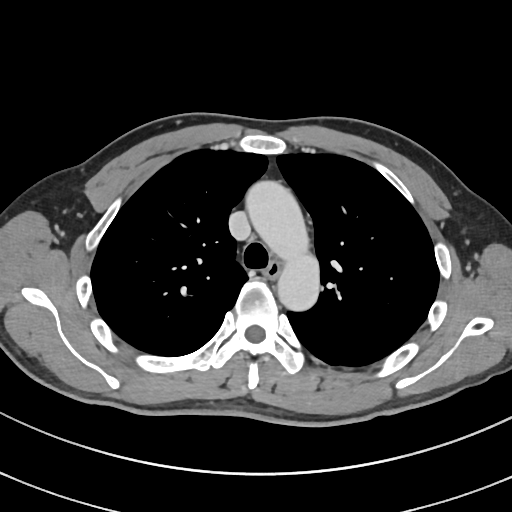 Abdominal CT reaching into the chest; this slice is in the chest. axial view. W/L 400/40 HU. 512x512 px. scan has 15 labeled organs (that count is for the whole scan; organs this slice misses have no box)
On a slice this high in the chest, this dataset labels only the esophagus and the aorta, and each is boxed only where it is labeled; the heart, lungs and other chest structures are not labeled.
Box edges are left/top/right/bottom in pixels.
esophagus: left=262, top=261, right=279, bottom=278
aorta: left=247, top=182, right=319, bottom=309